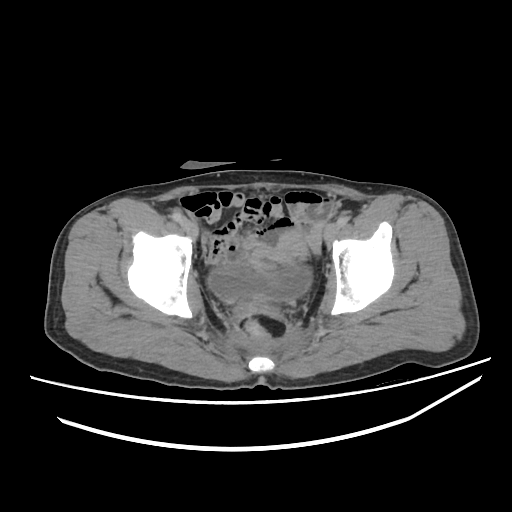
CT, abdomen/pelvis. axial view
One row per box, in pixels: columns x1 and y1 give the top-left corner, x2 and y2 the bottom-right.
| organ | x1 | y1 | x2 | y2 |
|---|---|---|---|---|
| bladder | 208 | 267 | 312 | 302 |